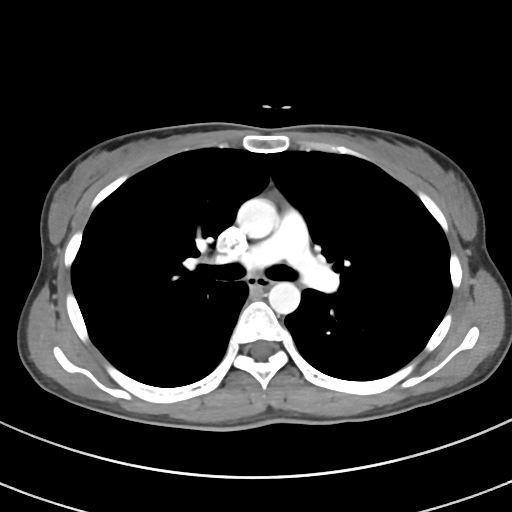 Chest-level CT slice, above the liver and spleen. axial view. W/L 400/40 HU. 512x512 px
At this level of the chest this dataset labels only the esophagus and the aorta, and each is boxed only where it is labeled; the heart and lungs are never labeled.
<organs><organ name="esophagus" x1="248" y1="276" x2="271" y2="289"/><organ name="aorta" x1="236" y1="198" x2="279" y2="238"/><organ name="aorta" x1="268" y1="281" x2="300" y2="313"/></organs>